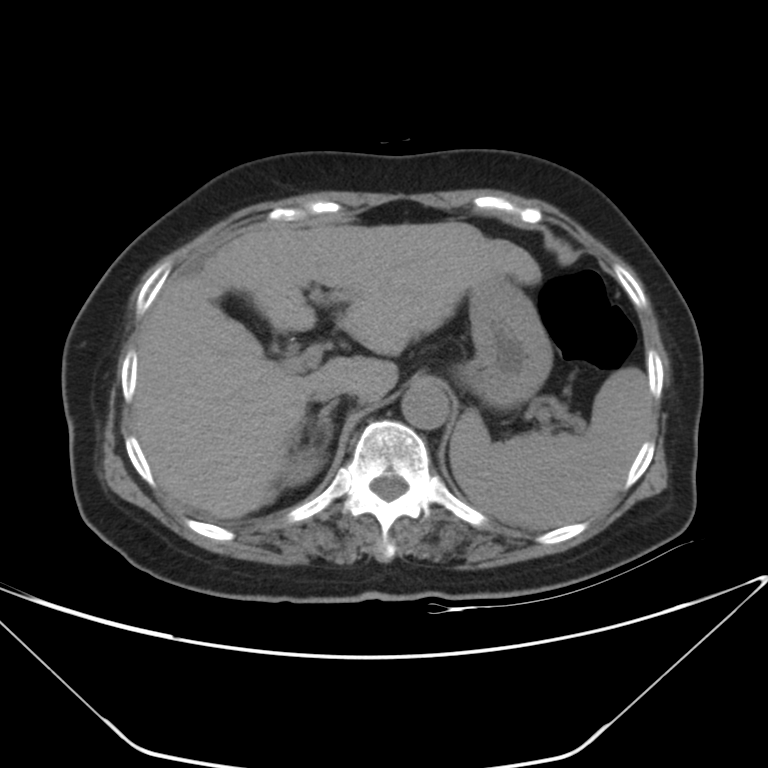
CT abdomen; axial view; 66-year-old female patient; Brilliance16 scanner
Boxes are (x1, y1, x2, y2) in pixels.
Organ bounding boxes:
- spleen: (449, 367, 650, 530)
- right kidney: (281, 446, 325, 484)
- liver: (134, 221, 541, 518)
- stomach: (464, 276, 552, 404)
- aorta: (402, 382, 448, 429)
- inferior vena cava: (312, 383, 345, 401)
- right adrenal gland: (314, 399, 338, 444)